Computed tomography, abdomen · axial view · scan has 15 labeled organs (that count is for the whole scan; organs this slice misses have no box)
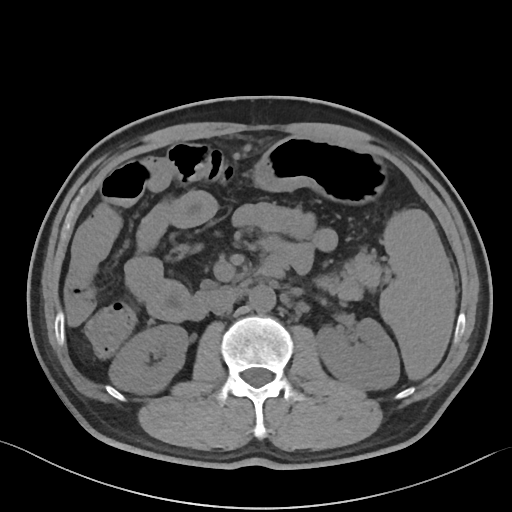 Bounding boxes in pixels, one row per box: x1, y1 is the top-left corner and x2, y2 the bottom-right.
| organ | x1 | y1 | x2 | y2 |
|---|---|---|---|---|
| spleen | 380 | 209 | 455 | 379 |
| right kidney | 109 | 325 | 187 | 393 |
| left kidney | 316 | 318 | 399 | 389 |
| stomach | 253 | 136 | 386 | 203 |
| aorta | 249 | 285 | 275 | 312 |
| inferior vena cava | 212 | 293 | 239 | 314 |
| pancreas | 321 | 250 | 383 | 299 |
| duodenum | 188 | 255 | 287 | 319 |